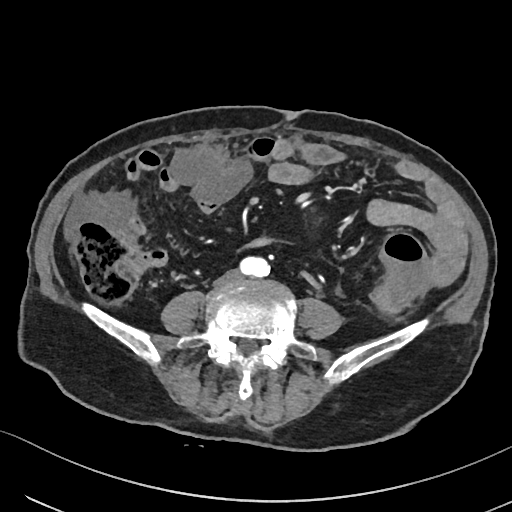

Computed tomography, abdomen — axial view — W/L 400/40 HU — 512x512 px — acquired on SOMATOM Force — 15 organs annotated in this scan (counted over the whole 3D scan, not this slice; an organ is boxed only where this slice passes through it)
Each box given as x1,y1,x2,y2.
Organ bounding boxes:
- aorta: x1=241, y1=256, x2=269, y2=277